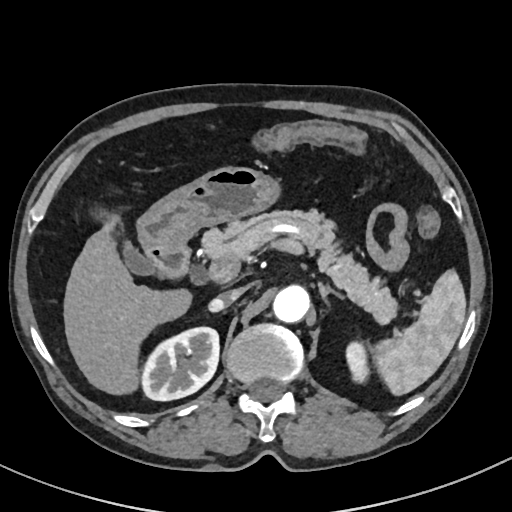 CT abdomen; Axial slice 166/303
Boxes: x1 y1 x2 y2 (pixel coords, space-separated). The annotated organs in this slice are: duodenum at 147 245 188 276, right kidney at 142 328 219 400, left kidney at 347 343 368 380, spleen at 373 270 465 396, gall bladder at 125 245 157 274, aorta at 271 286 309 323, stomach at 138 166 276 248, left adrenal gland at 318 281 344 300, pancreas at 202 210 398 324, inferior vena cava at 207 288 245 311, liver at 63 215 192 396.